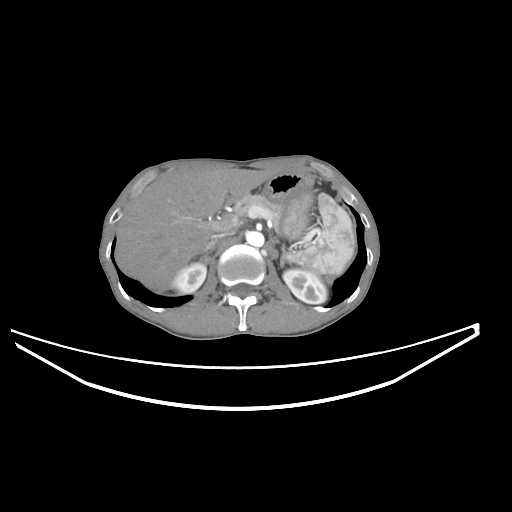
Abdominal CT · axial view · soft-tissue window
<organs><organ name="left kidney" x1="283" y1="268" x2="327" y2="303"/><organ name="right adrenal gland" x1="194" y1="242" x2="216" y2="257"/><organ name="right kidney" x1="171" y1="262" x2="206" y2="293"/><organ name="pancreas" x1="235" y1="194" x2="283" y2="228"/><organ name="liver" x1="115" y1="169" x2="271" y2="292"/><organ name="left adrenal gland" x1="280" y1="248" x2="291" y2="265"/><organ name="inferior vena cava" x1="210" y1="229" x2="237" y2="239"/><organ name="stomach" x1="264" y1="173" x2="312" y2="239"/><organ name="aorta" x1="246" y1="231" x2="264" y2="246"/><organ name="spleen" x1="286" y1="194" x2="355" y2="274"/></organs>